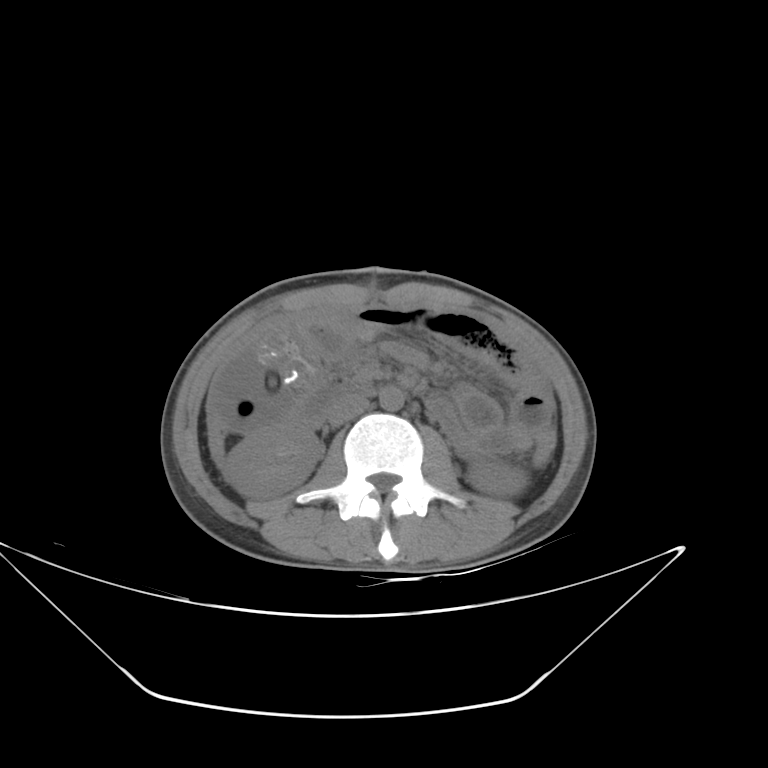

Computed tomography, abdomen; axial view
<organs><organ name="left kidney" x1="467" y1="461" x2="528" y2="497"/><organ name="inferior vena cava" x1="328" y1="395" x2="369" y2="426"/><organ name="duodenum" x1="292" y1="376" x2="356" y2="425"/><organ name="right kidney" x1="224" y1="424" x2="323" y2="499"/><organ name="aorta" x1="379" y1="386" x2="404" y2="411"/></organs>